Abdominal CT — axial plane, index 42 — abdomen soft-tissue window — 15 organs annotated in this scan (that count is for the whole scan; organs this slice misses have no box)
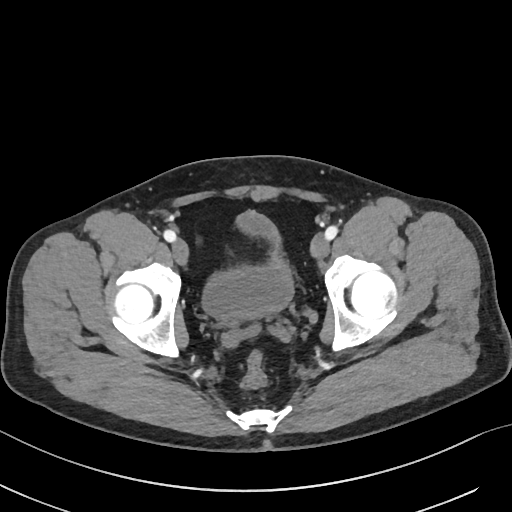
<organs><organ name="bladder" x1="203" y1="209" x2="291" y2="322"/></organs>